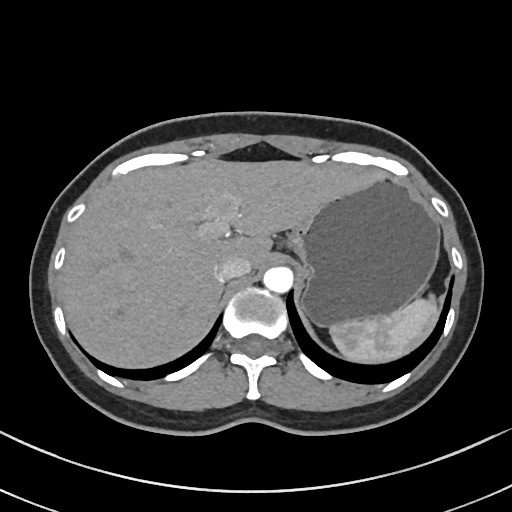

Abdominal CT. axial view. 512x512 px. SOMATOM Force scanner
Boxes are (x1, y1, x2, y2) in pixels. The annotated organs in this slice are: aorta at (263, 266, 293, 294), liver at (61, 158, 386, 366), stomach at (286, 178, 440, 326), inferior vena cava at (215, 257, 250, 282), spleen at (329, 296, 439, 363).